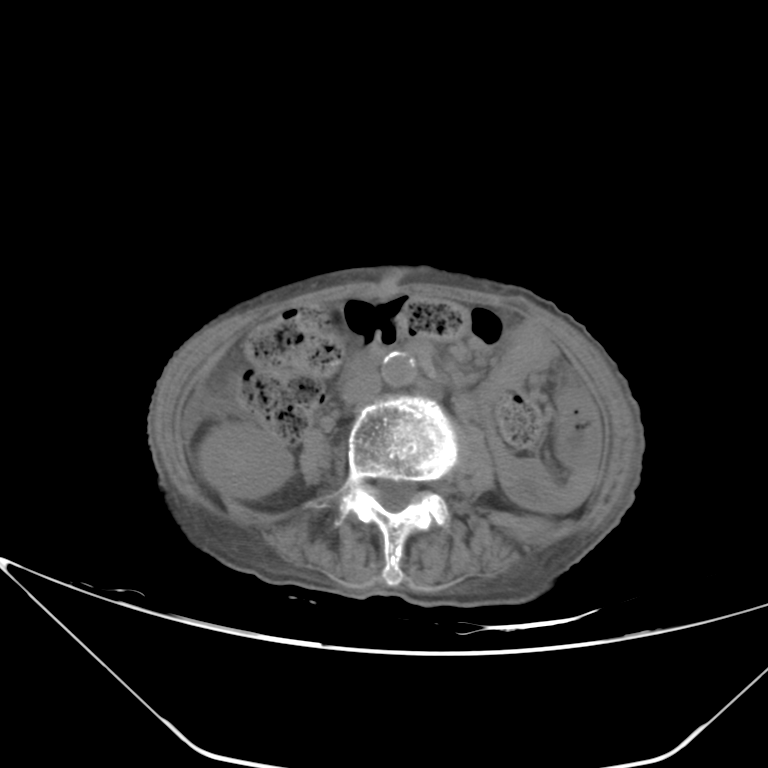

Abdominal CT. axial view. abdomen soft-tissue window. acquired on Brilliance16
Bounding boxes as [x1, y1, x2, y2] in pixel coordinates.
inferior vena cava: [342, 370, 381, 403]
right kidney: [198, 423, 292, 498]
aorta: [382, 351, 416, 386]